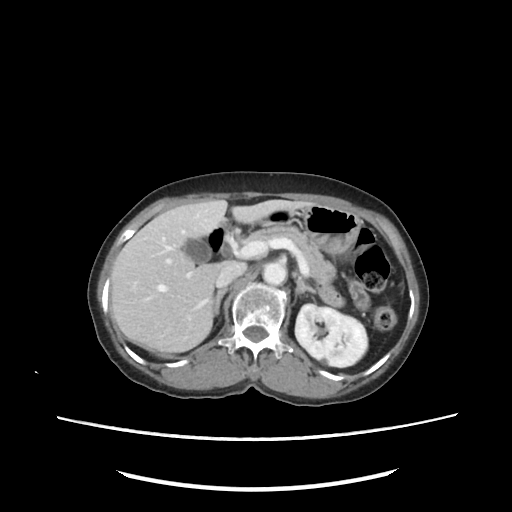 CT abdomen. axial plane, index 65. acquired on Aquilion ONE
{"organs":{"aorta":[262,263,286,285],"stomach":[259,206,360,254],"right adrenal gland":[214,288,227,314],"duodenum":[209,216,236,256],"inferior vena cava":[214,261,246,289],"gall bladder":[184,240,232,262],"liver":[111,200,319,352],"left kidney":[295,303,369,366],"left adrenal gland":[293,271,317,295],"pancreas":[241,225,334,287]}}